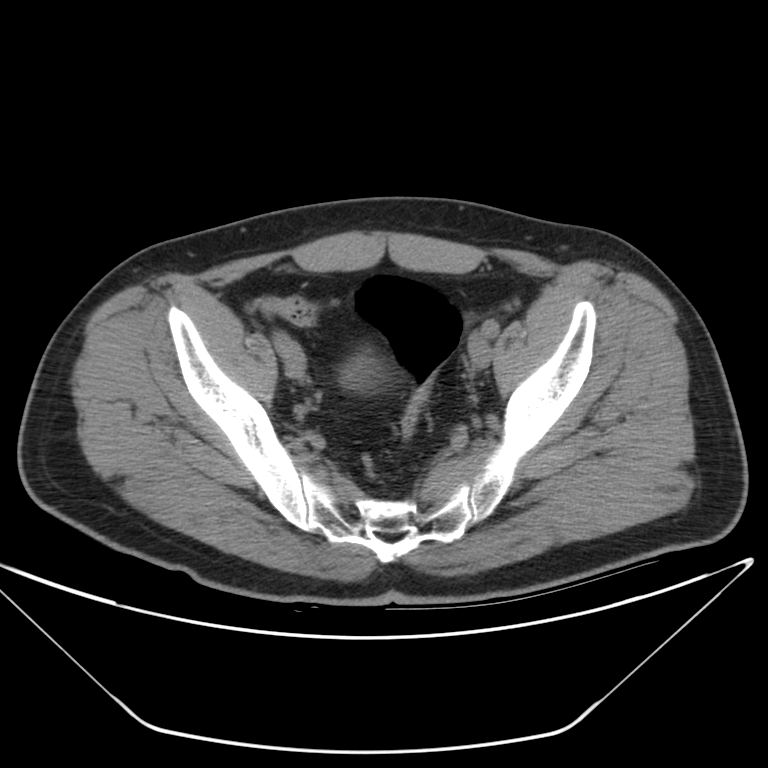 Abdominal CT; axial plane, index 29; soft-tissue window (W 400 / L 40); 45-year-old male patient; scan has 15 labeled organs (counted over the whole 3D scan, not this slice; an organ is boxed only where this slice passes through it)
Bounding boxes in pixels, one row per box: x1, y1 is the top-left corner and x2, y2 the bottom-right.
| organ | x1 | y1 | x2 | y2 |
|---|---|---|---|---|
| bladder | 344 | 354 | 383 | 393 |